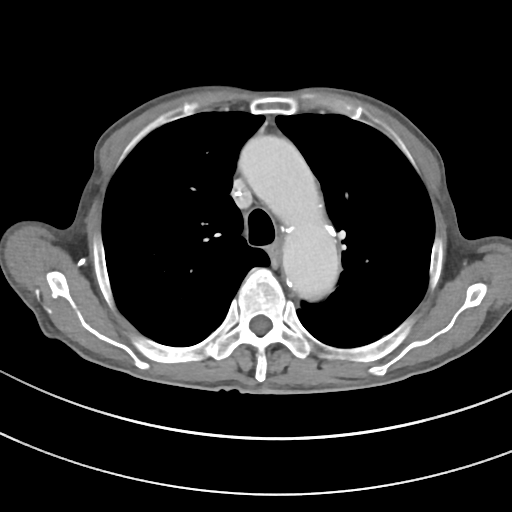
Chest-level CT slice, above the liver and spleen; axial plane, index 101; soft-tissue window, W/L 400/40
At this level of the chest this dataset labels only the esophagus and the aorta, and each is boxed only where it is labeled; the heart and lungs are never labeled.
Boxes: x1 y1 x2 y2 (pixel coords, space-separated).
esophagus: 270 243 281 266
aorta: 238 135 339 299